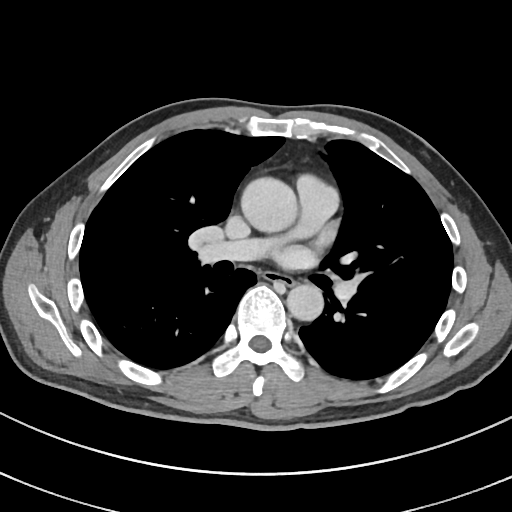
Chest-level CT slice, above the liver and spleen · axial view · 512x512 px · SOMATOM Force scanner
At this level of the chest no structure but the esophagus and the aorta has a label in this dataset, and those two are boxed only where they are labeled.
{"organs":{"esophagus":[264,272,294,286],"aorta":[[241,177,297,232],[286,284,323,321]]}}